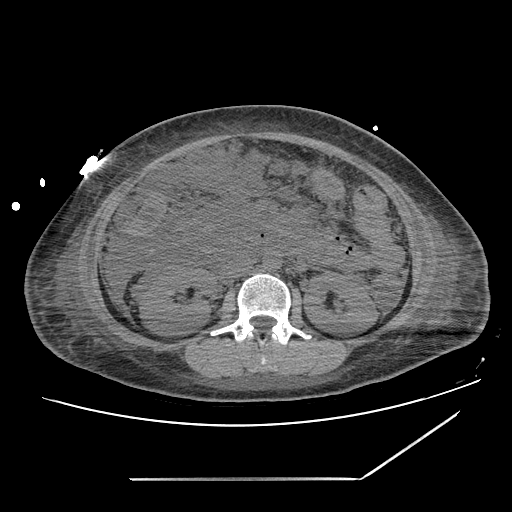 CT, abdomen/pelvis; axial view; W/L 400/40 HU; 15 organs annotated in this scan (counted over the whole 3D scan, not this slice; an organ is boxed only where this slice passes through it)
<organs><organ name="right kidney" x1="139" y1="268" x2="214" y2="335"/><organ name="left kidney" x1="303" y1="272" x2="378" y2="335"/><organ name="aorta" x1="263" y1="253" x2="281" y2="270"/><organ name="inferior vena cava" x1="221" y1="255" x2="252" y2="278"/></organs>